CT abdomen — axial view — W/L 400/40 HU — 768x768 px
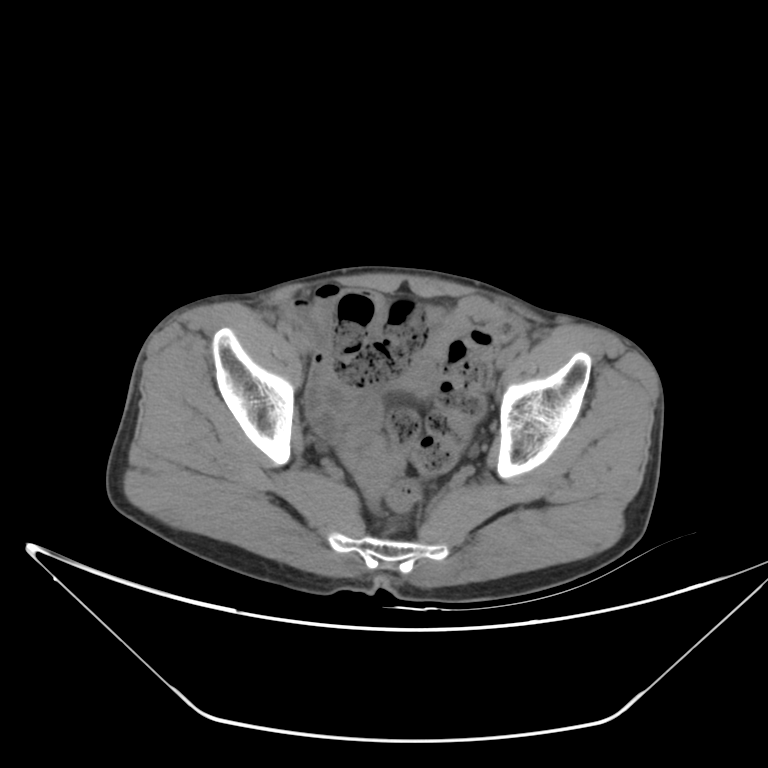 Boxes: x1:y1:x2:y2 in pixels. The annotated organs in this slice are: bladder at 405:360:434:393.